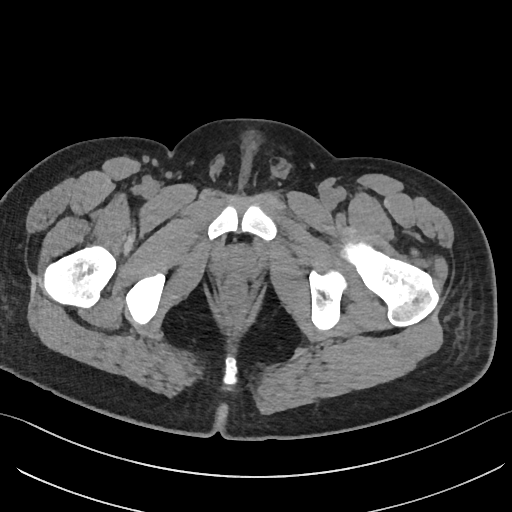
Computed tomography, abdomen · axial view · soft-tissue window (W 400 / L 40) · scan has 15 labeled organs (counted over the whole 3D scan, not this slice; an organ is boxed only where this slice passes through it)
Boxes are (x1, y1, x2, y2) in pixels. Labeled organs on this slice: prostate/uterus at (221, 251, 254, 276).